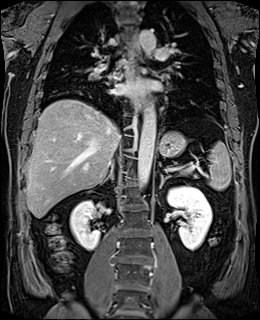

MRI, abdomen. Coronal slice 53/144
Boxes: x1 y1 x2 y2 (pixel coords, space-separated).
liver: 26 99 120 218
stomach: 158 131 186 157
right kidney: 70 200 100 250
left adrenal gland: 159 173 170 188
left kidney: 167 186 212 250
esophagus: 134 95 143 109
esophagus: 132 38 141 58
esophagus: 135 62 142 76
inferior vena cava: 112 139 119 164
pancreas: 168 168 176 171
spleen: 208 141 231 190
aorta: 137 104 156 188
aorta: 139 30 156 54
right adrenal gland: 100 165 113 184